CT abdomen · axial plane, index 6 · acquired on Aquilion ONE
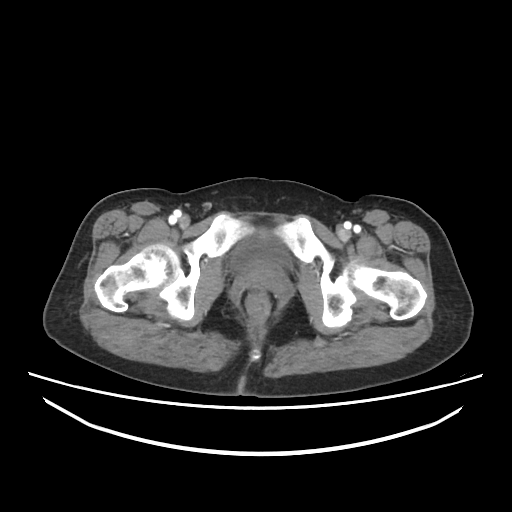
{"organs":{"bladder":[229,235,289,271]}}